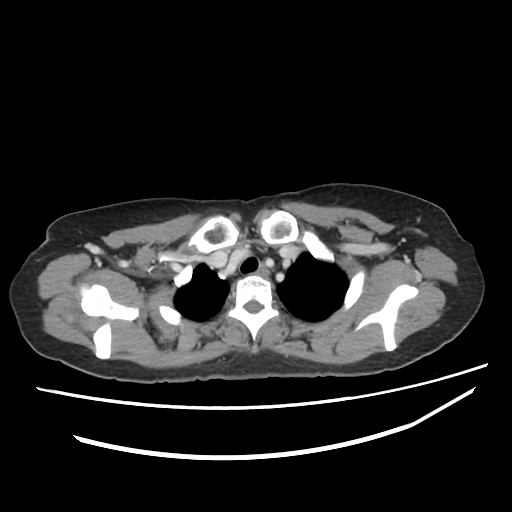

Chest-level CT slice, above the liver and spleen — axial view
At this level of the chest no structure but the esophagus and the aorta has a label in this dataset, and those two are boxed only where they are labeled. Bounding boxes as [x1, y1, x2, y2] in pixel coordinates. 1 labeled organ on this slice — esophagus at [256, 264, 268, 275].